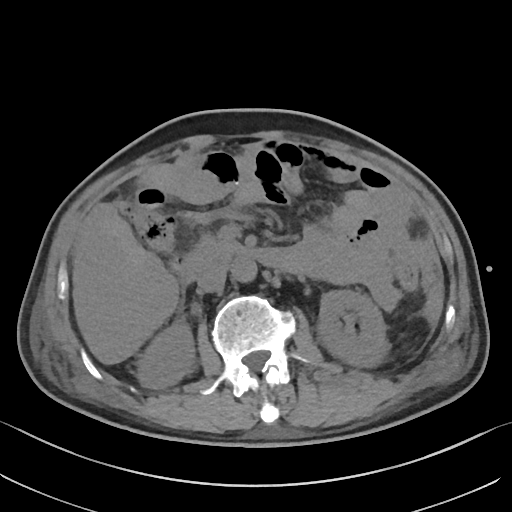

Computed tomography, abdomen · axial view · W/L 400/40 HU · 15 organs annotated in this scan (a whole-scan count: organs this slice does not pass through have no box)
Coordinates as <box>x1,y1,x2,y2</box> in pixels. The annotated organs in this slice are: duodenum at <box>180,243,283,283</box>, inferior vena cava at <box>198,266,226,292</box>, aorta at <box>231,258,257,282</box>, right kidney at <box>137,321,195,388</box>, left kidney at <box>316,289,388,367</box>, pancreas at <box>191,239,233,253</box>.